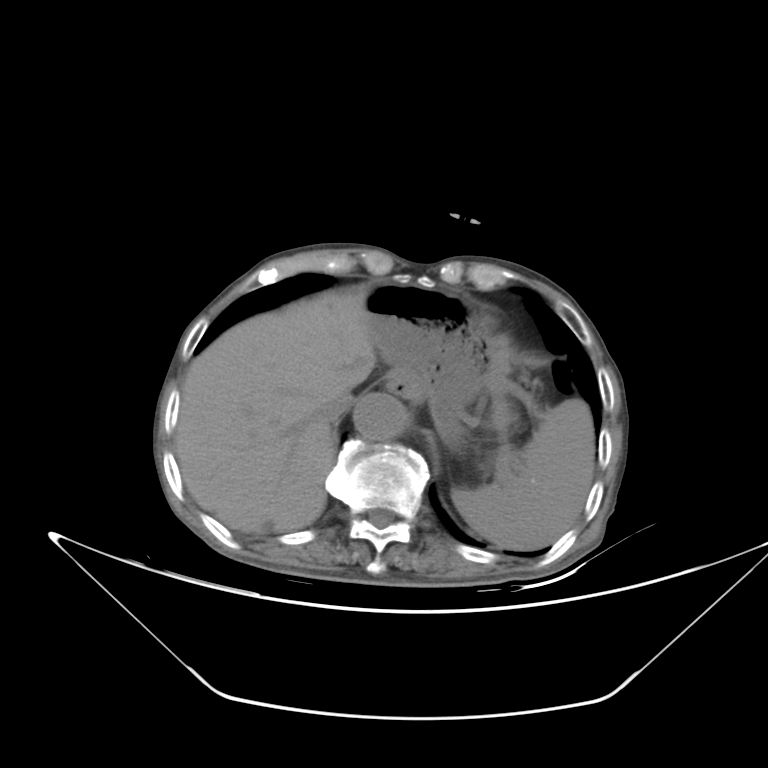
CT abdomen — axial view — soft-tissue window
Boxes: x1 y1 x2 y2 (pixel coords, space-separated).
Organ bounding boxes:
- spleen: 449 400 594 549
- esophagus: 385 373 425 402
- liver: 176 286 375 533
- stomach: 361 284 490 444
- aorta: 355 393 404 437
- inferior vena cava: 319 395 357 423